Abdominal CT; this slice is in the lower chest, just above the liver — axial view — soft-tissue window — 512x512 px — scan has 15 labeled organs (a whole-scan count: organs this slice does not pass through have no box)
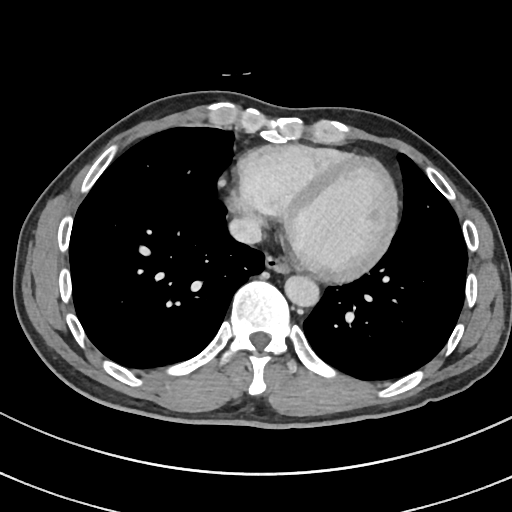 No part of the heart or lungs is labeled in this dataset, so neither has a box here.
Boxes: x1 y1 x2 y2 (pixel coords, space-separated).
Organ bounding boxes:
- esophagus: 265 255 289 273
- aorta: 284 275 319 307
- inferior vena cava: 229 217 262 244